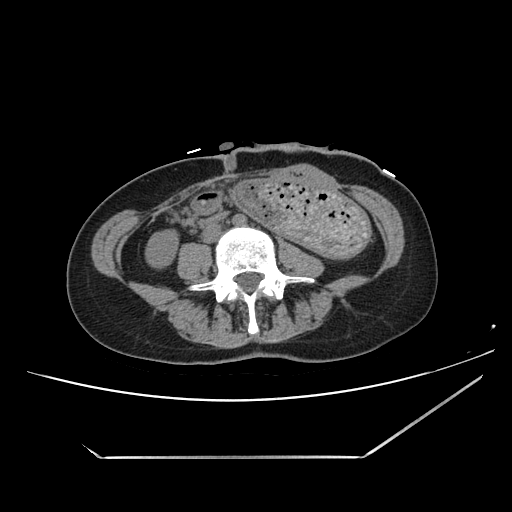
Abdominal CT; axial view; SOMATOM Force scanner
Each box given as x1,y1,x2,y2.
stomach: x1=231, y1=179, x2=370, y2=258
right kidney: x1=147, y1=230, x2=177, y2=267